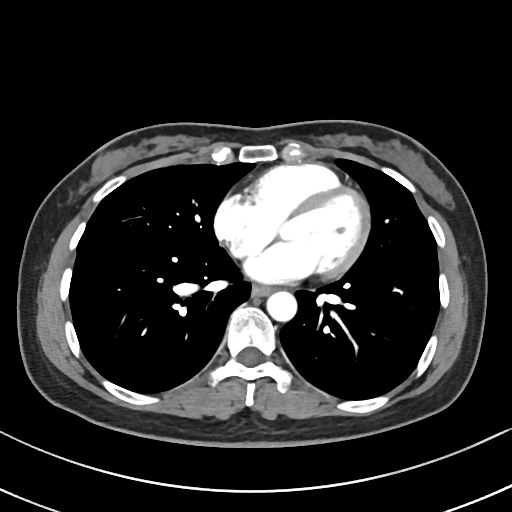

Abdominal CT; this slice is in the lower chest, just above the liver · Axial slice 237/242 · soft-tissue window (W 400 / L 40) · acquired on SOMATOM Force · 15 organs annotated in this scan (counted over the whole 3D scan, not this slice; an organ is boxed only where this slice passes through it)
No part of the heart or lungs is labeled in this dataset, so neither has a box here.
Coordinates as <box>x1,y1,x2,y2</box> in pixels.
esophagus: <box>252,284,271,296</box>
aorta: <box>266,291,296,321</box>